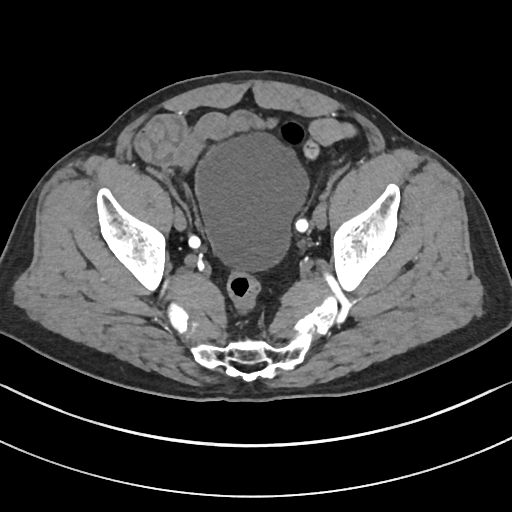 CT abdomen; axial view; 512x512 px
<organs><organ name="bladder" x1="196" y1="136" x2="306" y2="269"/></organs>